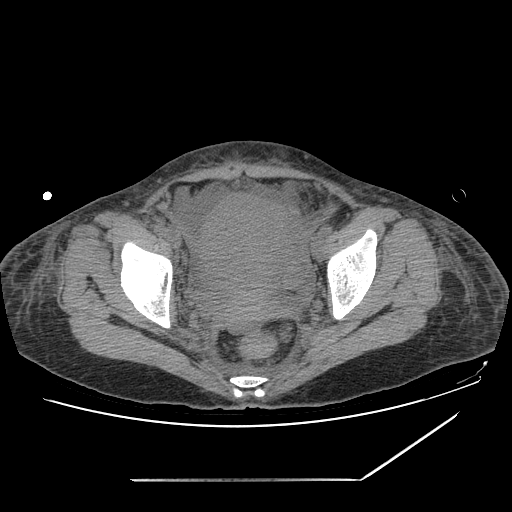

CT, abdomen/pelvis — axial view — W/L 400/40 HU — 512x512 px
{"organs":{"prostate/uterus":[198,192,287,327]}}